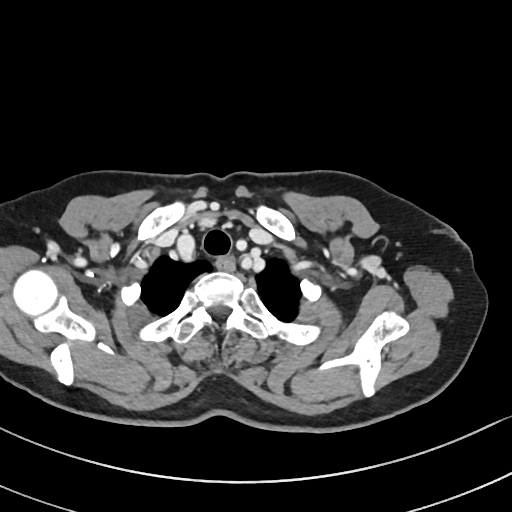

Chest-level CT slice, above the liver and spleen — axial view — 512x512 px
At this level of the chest this dataset labels only the esophagus and the aorta, and each is boxed only where it is labeled; the heart and lungs are never labeled.
Boxes: x1 y1 x2 y2 (pixel coords, space-separated).
Organ bounding boxes:
- esophagus: 216 254 235 270